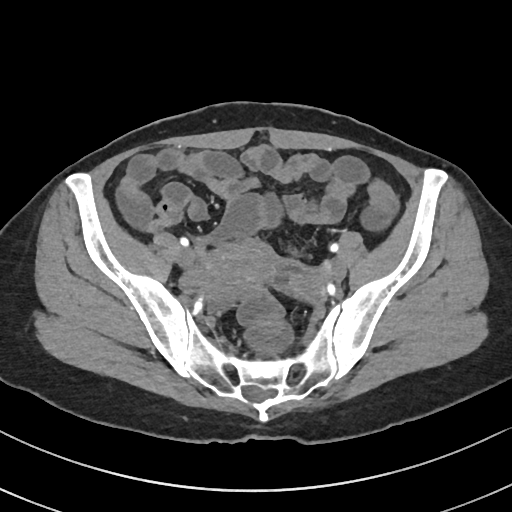
CT, abdomen/pelvis — axial view — abdomen soft-tissue window — 512x512 px — 15 organs annotated in this scan (a whole-scan count: organs this slice does not pass through have no box)
One row per box, in pixels: columns x1 and y1 give the top-left corner, x2 and y2 the bottom-right.
| organ | x1 | y1 | x2 | y2 |
|---|---|---|---|---|
| prostate/uterus | 179 | 239 | 276 | 297 |